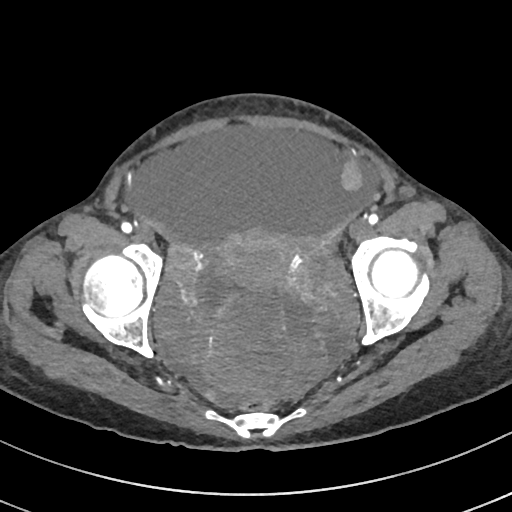 CT abdomen. Axial slice 36/237. W/L 400/40 HU. acquired on SOMATOM Force. 15 organs annotated in this scan (that count is for the whole scan; organs this slice misses have no box)
Organ boxes in pixel coordinates; each row gives the top-left (x1, y1) and bottom-right (x2, y2) corners.
| organ | x1 | y1 | x2 | y2 |
|---|---|---|---|---|
| prostate/uterus | 221 | 229 | 343 | 325 |